Abdominal CT. Axial slice 175/212. soft-tissue window
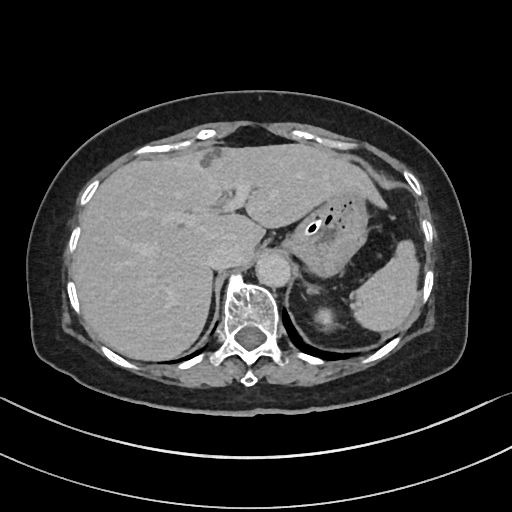

Organ boxes in pixel coordinates; each row gives the top-left (x1, y1) and bottom-right (x2, y2) corners.
| organ | x1 | y1 | x2 | y2 |
|---|---|---|---|---|
| spleen | 357 | 242 | 419 | 331 |
| left kidney | 313 | 308 | 334 | 329 |
| liver | 72 | 144 | 385 | 361 |
| stomach | 286 | 193 | 366 | 273 |
| aorta | 254 | 252 | 289 | 286 |
| inferior vena cava | 206 | 241 | 239 | 268 |
| left adrenal gland | 299 | 274 | 317 | 295 |